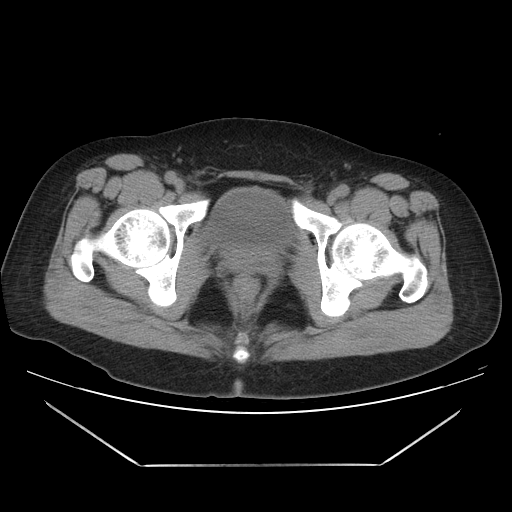

Computed tomography, abdomen. axial plane, index 8. scan has 15 labeled organs (that count is for the whole scan; organs this slice misses have no box)
Box edges are left/top/right/bottom in pixels.
Organ bounding boxes:
- bladder: left=204, top=187, right=293, bottom=251